Abdominal CT — axial view — abdomen soft-tissue window — 768x768 px — 66-year-old male patient
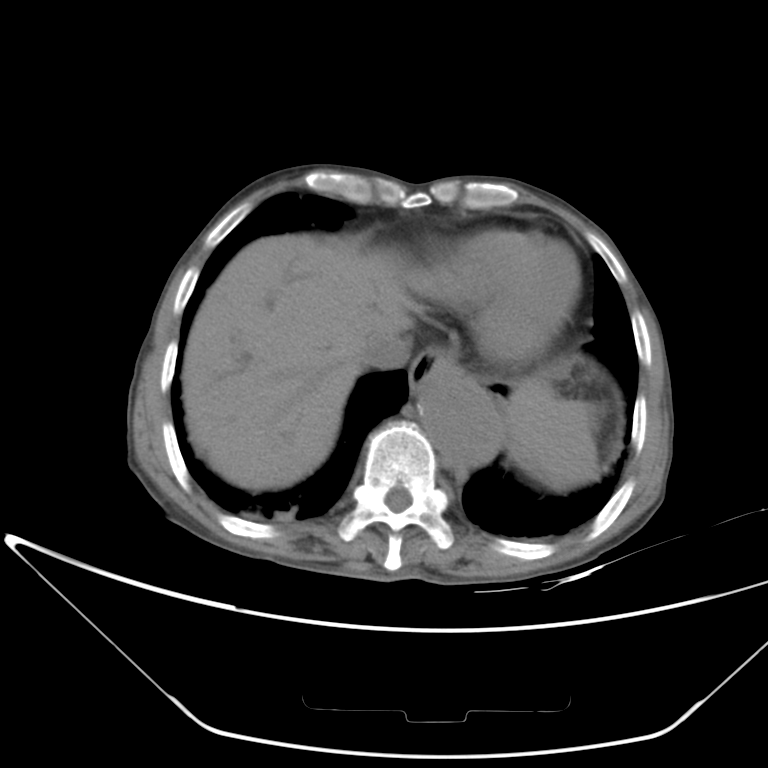 Boxes: x1:y1:x2:y2 in pixels.
Organ bounding boxes:
- spleen: 499:395:597:488
- aorta: 417:369:501:465
- inferior vena cava: 357:330:410:369
- esophagus: 409:349:457:397
- liver: 180:234:410:491
- stomach: 505:380:547:406